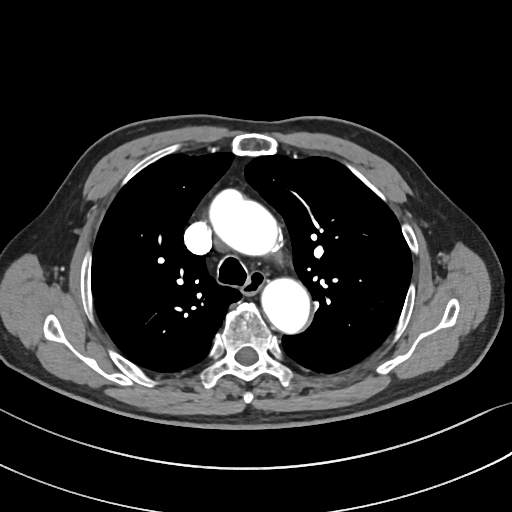 Abdominal CT reaching into the chest; this slice is in the chest — axial view — 512x512 px
At this level of the chest no structure but the esophagus and the aorta has a label in this dataset, and those two are boxed only where they are labeled.
<organs><organ name="esophagus" x1="243" y1="272" x2="265" y2="293"/><organ name="aorta" x1="209" y1="191" x2="279" y2="255"/><organ name="aorta" x1="262" y1="278" x2="310" y2="333"/></organs>